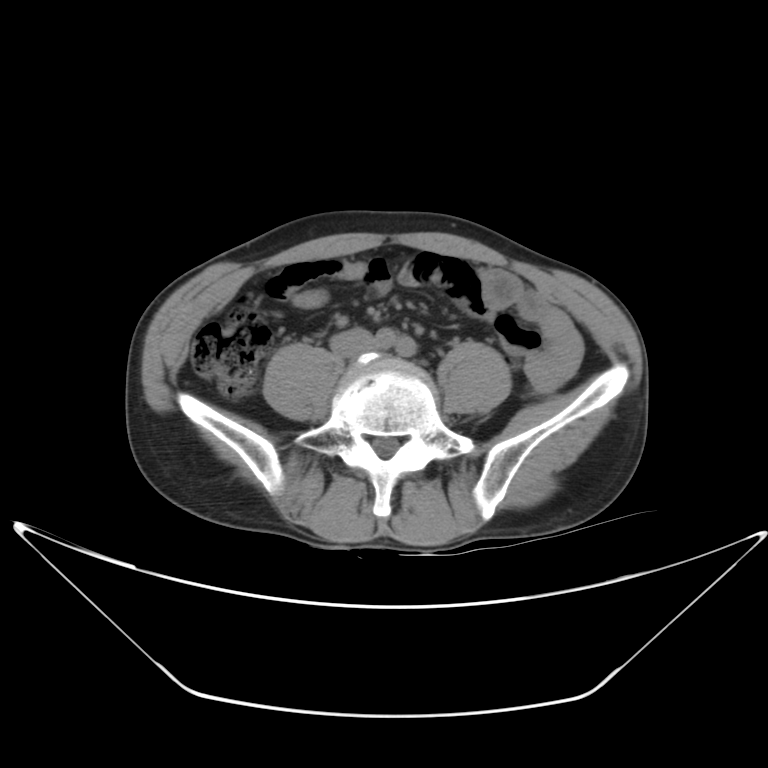
Computed tomography, abdomen — axial view — W/L 400/40 HU — 768x768 px — 51-year-old male patient
Organ boxes in pixel coordinates; each row gives the top-left (x1, y1) and bottom-right (x2, y2) corners.
| organ | x1 | y1 | x2 | y2 |
|---|---|---|---|---|
| inferior vena cava | 330 | 327 | 376 | 356 |